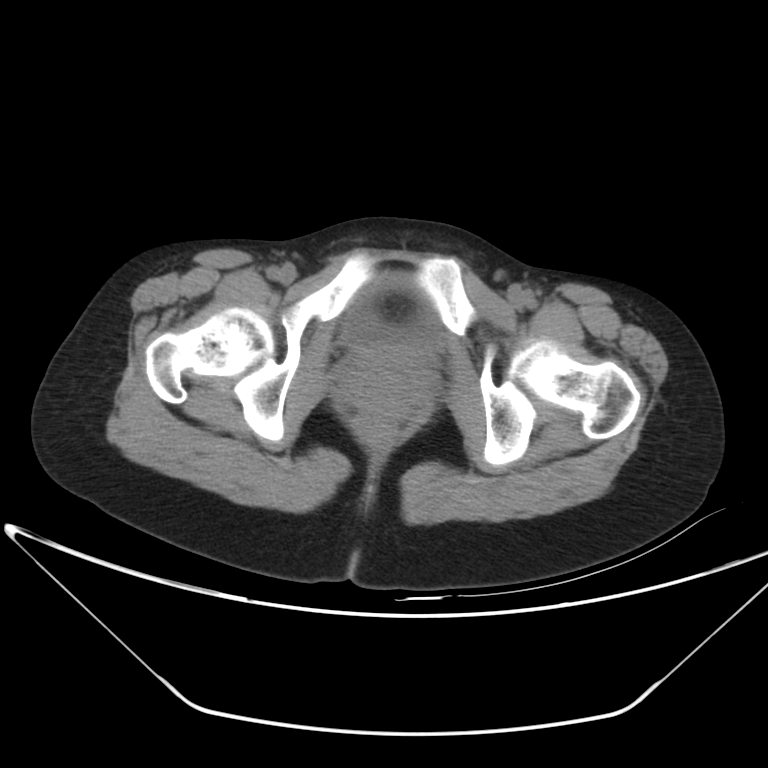

Abdominal CT — axial view — 768x768 px — 15 organs annotated in this scan (a whole-scan count: organs this slice does not pass through have no box)
Bounding boxes as [x1, y1, x2, y2] in pixel coordinates. Labeled organs on this slice: prostate/uterus at [348, 348, 425, 416], bladder at [340, 273, 445, 365].